CT abdomen — axial view — soft-tissue window — SOMATOM Force scanner
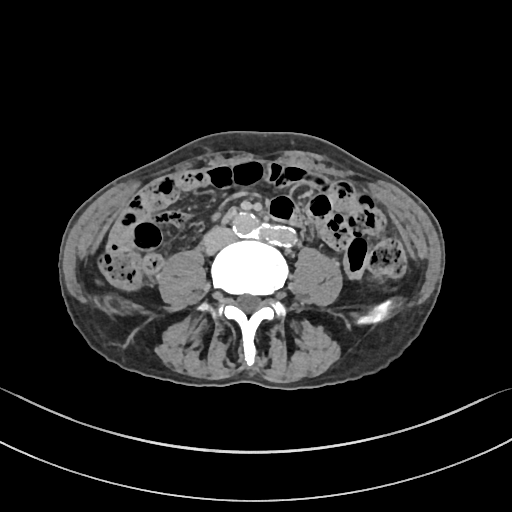

Bounding boxes in pixels, one row per box: x1, y1 is the top-left corner and x2, y2 the bottom-right.
| organ | x1 | y1 | x2 | y2 |
|---|---|---|---|---|
| inferior vena cava | 204 | 227 | 233 | 252 |